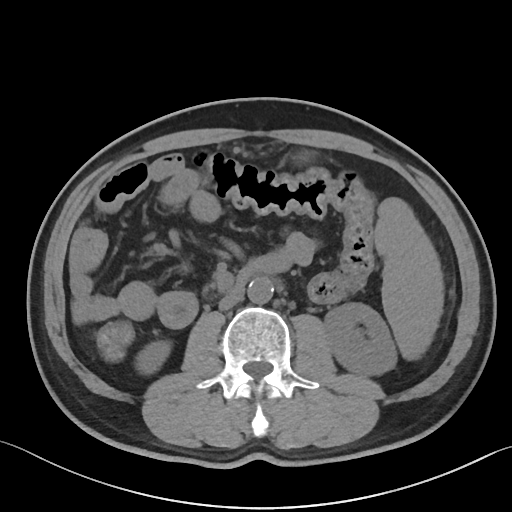 CT, abdomen/pelvis — axial view — soft-tissue window (W 400 / L 40) — 512x512 px
Boxes: x1 y1 x2 y2 (pixel coords, space-separated).
Organ bounding boxes:
- spleen: 374 197 443 359
- right kidney: 135 340 170 374
- left kidney: 324 302 396 375
- aorta: 247 277 273 303
- inferior vena cava: 219 289 243 310
- duodenum: 235 259 268 288